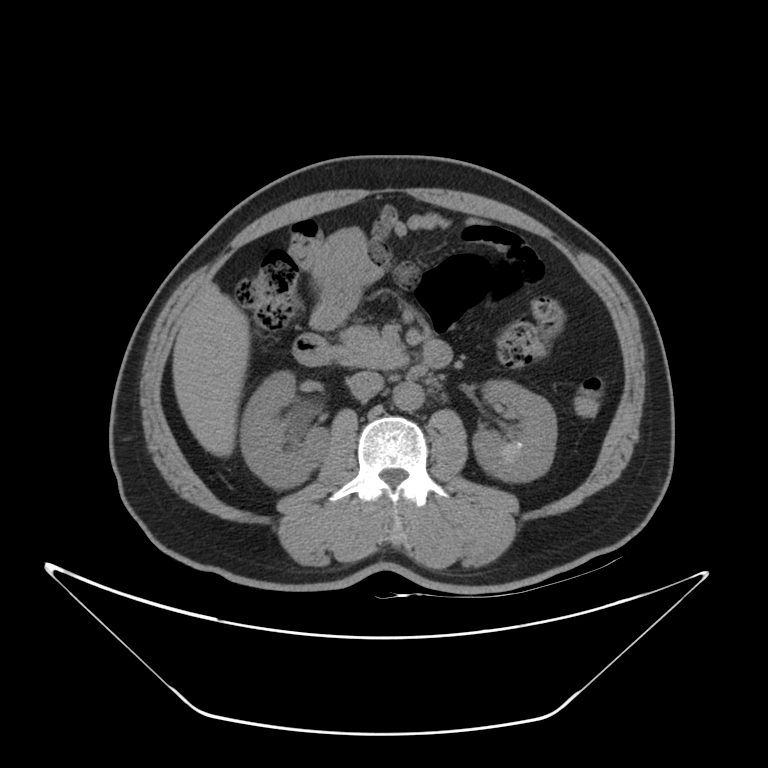 Abdominal CT — axial view — 768x768 px — 55-year-old male patient
Box edges are left/top/right/bottom in pixels.
Organ bounding boxes:
- right kidney: left=241, top=372, right=329, bottom=488
- left kidney: left=473, top=380, right=556, bottom=481
- liver: left=172, top=283, right=250, bottom=457
- aorta: left=393, top=382, right=423, bottom=410
- inferior vena cava: left=347, top=372, right=383, bottom=399
- pancreas: left=337, top=325, right=408, bottom=368
- duodenum: left=292, top=334, right=452, bottom=379